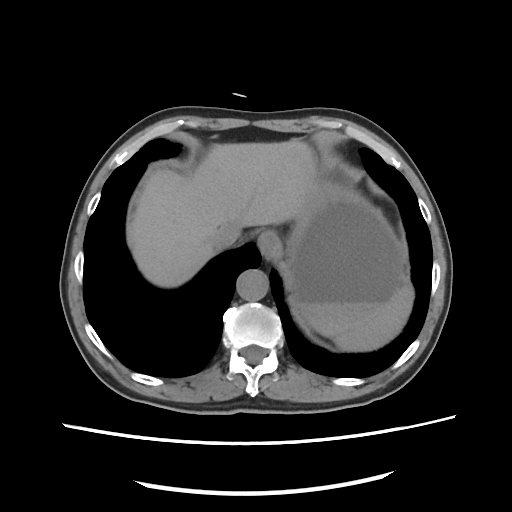
CT abdomen. Axial slice 72/78. 512x512 px. acquired on Aquilion ONE
Boxes: x1:y1:x2:y2 in pixels.
spleen: 327:285:413:351
esophagus: 257:230:280:258
liver: 127:140:320:287
stomach: 276:179:406:335
aorta: 236:269:268:300
inferior vena cava: 212:222:241:251